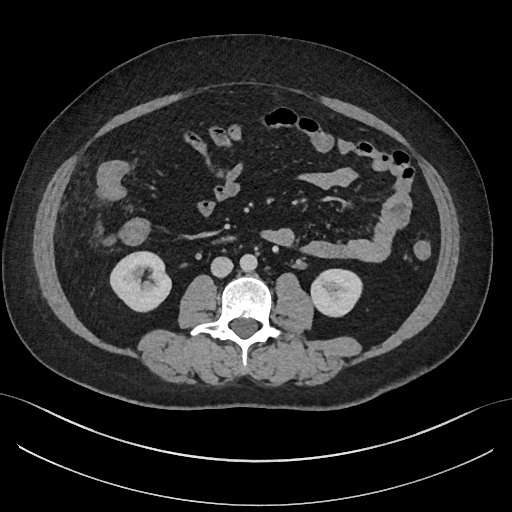

CT abdomen. axial view
Organ boxes in pixel coordinates; each row gives the top-left (x1, y1) and bottom-right (x2, y2) corners.
| organ | x1 | y1 | x2 | y2 |
|---|---|---|---|---|
| right kidney | 110 | 251 | 171 | 311 |
| left kidney | 311 | 269 | 361 | 316 |
| aorta | 239 | 253 | 257 | 271 |
| inferior vena cava | 211 | 256 | 233 | 277 |